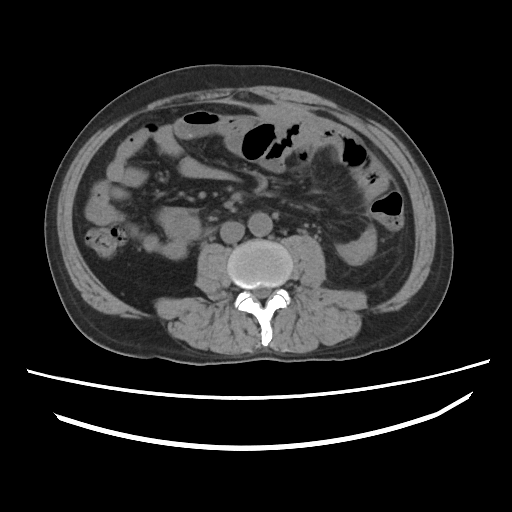 Abdominal CT. axial plane, index 58. 48-year-old male patient. scan has 15 labeled organs (a whole-scan count: organs this slice does not pass through have no box)
{"organs":{"aorta":[248,212,272,236],"inferior vena cava":[220,221,244,242]}}